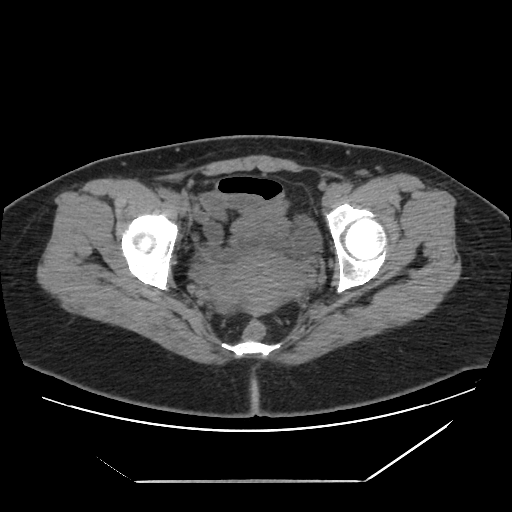

CT abdomen. axial view. 512x512 px
Boxes: x1 y1 x2 y2 (pixel coords, space-separated). The annotated organs in this slice are: bladder at 292 217 321 252, prostate/uterus at 213 252 301 315.